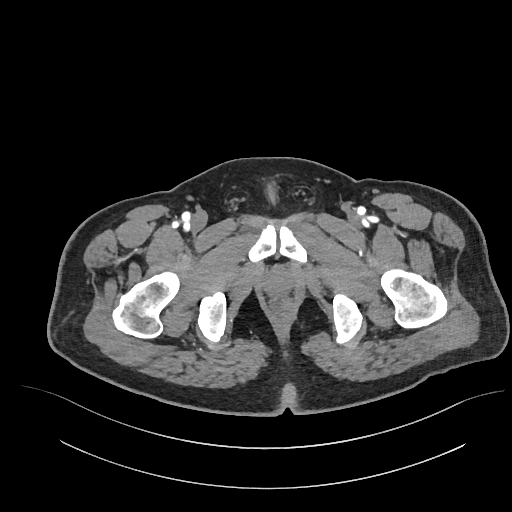

Abdominal CT. axial plane, index 21
{"organs":{"prostate/uterus":[266,273,290,293]}}